CT abdomen; axial plane, index 177; abdomen soft-tissue window; 512x512 px; scan has 15 labeled organs (counted over the whole 3D scan, not this slice; an organ is boxed only where this slice passes through it)
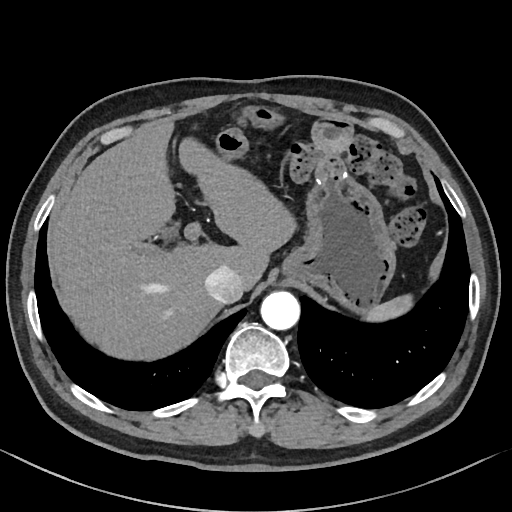 Coordinates as <box>x1,y1,x2,y2</box> in pixels. The annotated organs in this slice are: spleen at <box>366,296,413,322</box>, liver at <box>52,121,297,358</box>, stomach at <box>280,169,395,309</box>, aorta at <box>260,291,300,330</box>, inferior vena cava at <box>204,266,242,303</box>.